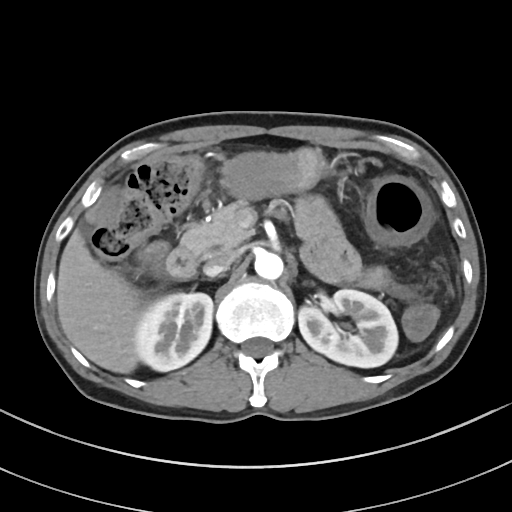

Computed tomography, abdomen. axial view. soft-tissue window (W 400 / L 40). 15 organs annotated in this scan (a whole-scan count: organs this slice does not pass through have no box)
Box edges are left/top/right/bottom in pixels.
stomach: left=221, top=147, right=326, bottom=200
right kidney: left=134, top=293, right=212, bottom=371
liver: left=57, top=229, right=142, bottom=373
duodenum: left=166, top=247, right=197, bottom=279
pancreas: left=180, top=202, right=253, bottom=256
gall bladder: left=88, top=190, right=117, bottom=222
aorta: left=254, top=251, right=283, bottom=280
left kidney: left=298, top=289, right=398, bottom=367
inferior vena cava: left=203, top=250, right=234, bottom=276